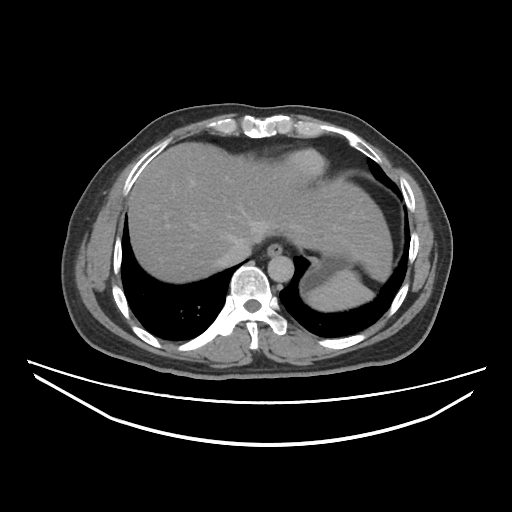
Abdominal CT — Axial slice 107/115
Bounding boxes in pixels, one row per box: x1, y1 is the top-left corner and x2, y2 the bottom-right.
| organ | x1 | y1 | x2 | y2 |
|---|---|---|---|---|
| spleen | 302 | 270 | 374 | 311 |
| esophagus | 267 | 244 | 282 | 256 |
| liver | 126 | 142 | 394 | 283 |
| stomach | 301 | 256 | 351 | 289 |
| aorta | 268 | 255 | 293 | 282 |
| inferior vena cava | 212 | 239 | 251 | 267 |